CT abdomen. axial view. W/L 400/40 HU. 768x768 px. 56-year-old male patient
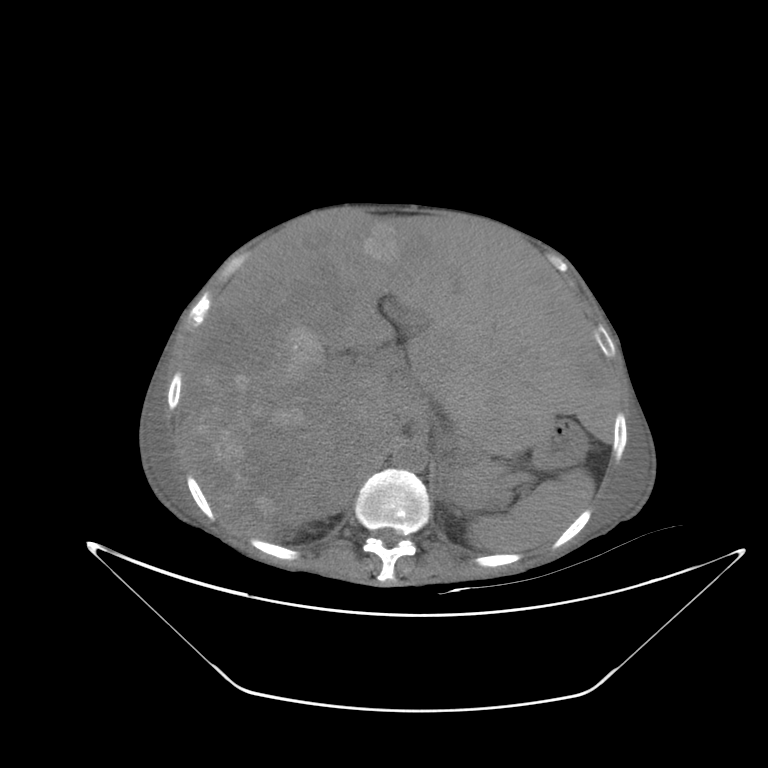
Organ boxes in pixel coordinates; each row gives the top-left (x1, y1) and bottom-right (x2, y2) corners.
| organ | x1 | y1 | x2 | y2 |
|---|---|---|---|---|
| spleen | 468 | 469 | 594 | 551 |
| liver | 181 | 210 | 613 | 537 |
| stomach | 536 | 424 | 584 | 467 |
| aorta | 392 | 443 | 427 | 471 |
| inferior vena cava | 369 | 416 | 404 | 453 |
| pancreas | 448 | 456 | 507 | 508 |
| left adrenal gland | 434 | 464 | 453 | 509 |